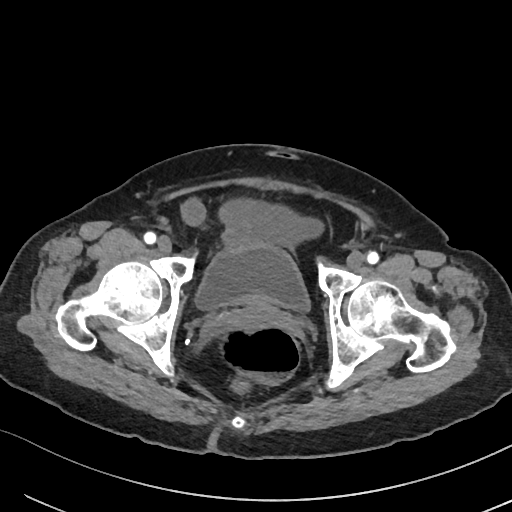
CT, abdomen/pelvis · Axial slice 38/297 · soft-tissue window · 15 organs annotated in this scan (that count is for the whole scan; organs this slice misses have no box)
{"organs":{"bladder":[198,245,309,311],"prostate/uterus":[223,303,283,331]}}